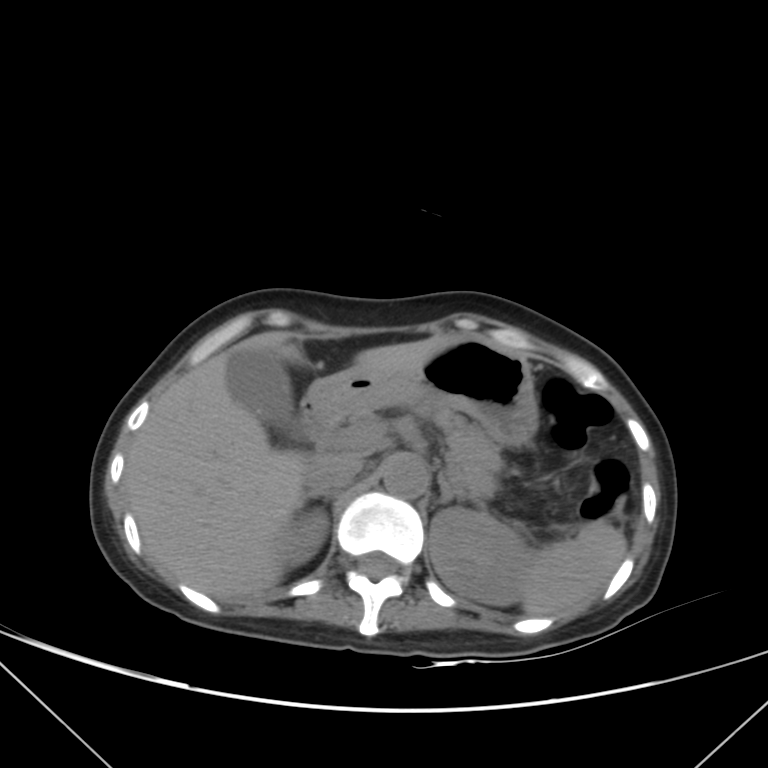 Abdominal CT; axial view; soft-tissue window; 39-year-old female patient; Brilliance16 scanner
Boxes: x1 y1 x2 y2 (pixel coords, space-separated).
Organ bounding boxes:
- spleen: 521 521 627 616
- right kidney: 276 507 327 566
- left kidney: 430 507 532 605
- gall bladder: 227 348 300 437
- liver: 125 332 456 598
- stomach: 304 337 537 446
- aorta: 382 455 427 498
- inferior vena cava: 306 460 361 490
- pancreas: 348 409 503 498
- right adrenal gland: 303 491 336 502
- left adrenal gland: 436 474 486 508
- duodenum: 299 404 339 444